Chest-level slice from an abdominal CT that extends up into the chest — axial view — Aquilion ONE scanner — 15 organs annotated in this scan (a whole-scan count: organs this slice does not pass through have no box)
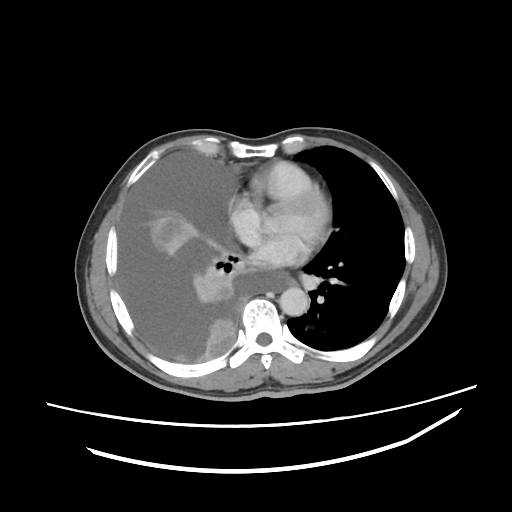 At this level of the chest this dataset labels only the esophagus and the aorta, and each is boxed only where it is labeled; the heart and lungs are never labeled.
Boxes are (x1, y1, x2, y2) in pixels.
esophagus: (286, 277, 295, 285)
aorta: (279, 287, 309, 316)